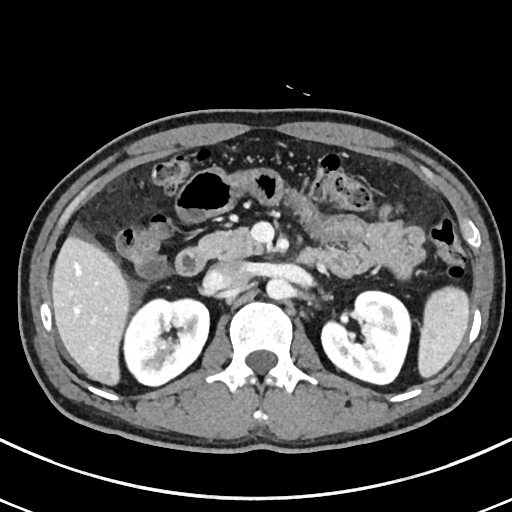

Abdominal CT; axial view; soft-tissue window (W 400 / L 40)
Bounding boxes in pixels, one row per box: x1, y1 is the top-left corner and x2, y2 the bottom-right.
| organ | x1 | y1 | x2 | y2 |
|---|---|---|---|---|
| spleen | 418 | 287 | 470 | 379 |
| right kidney | 124 | 297 | 209 | 386 |
| left kidney | 321 | 289 | 409 | 384 |
| liver | 51 | 234 | 131 | 386 |
| aorta | 266 | 278 | 291 | 300 |
| inferior vena cava | 207 | 260 | 250 | 290 |
| pancreas | 200 | 226 | 264 | 258 |
| duodenum | 175 | 245 | 207 | 275 |